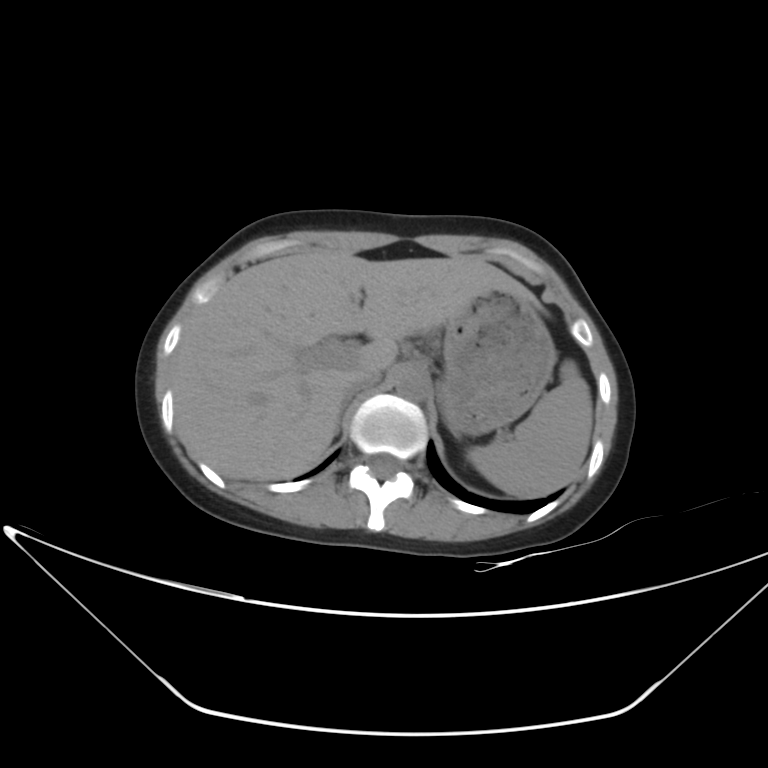
Computed tomography, abdomen; axial plane, index 65; 768x768 px; scan has 15 labeled organs (a whole-scan count: organs this slice does not pass through have no box)
Boxes: x1:y1:x2:y2 in pixels.
Organ bounding boxes:
- spleen: 467:360:591:497
- liver: 173:249:533:480
- stomach: 441:293:555:434
- aorta: 395:373:427:401
- inferior vena cava: 342:374:378:398
- right adrenal gland: 334:405:344:434
- left adrenal gland: 436:383:457:437